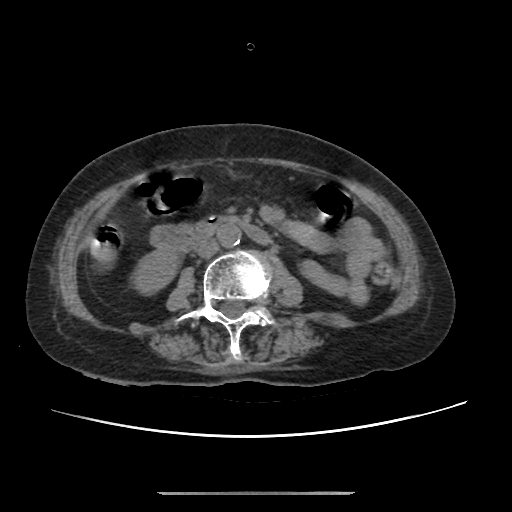
CT, abdomen/pelvis. axial view. abdomen soft-tissue window. 512x512 px. SOMATOM Force scanner
Boxes: x1:y1:x2:y2 in pixels.
right kidney: 137:248:176:290
aorta: 216:224:240:247
inferior vena cava: 196:240:218:257
duodenum: 152:215:270:251